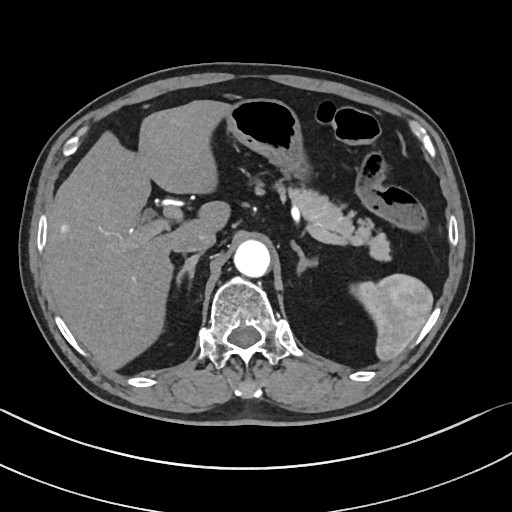
CT, abdomen/pelvis. axial view. 512x512 px. acquired on SOMATOM Force
Boxes are (x1, y1, x2, y2) in pixels. The annotated organs in this slice are: spleen at (355, 274, 431, 359), liver at (44, 99, 229, 368), stomach at (224, 98, 299, 171), aorta at (233, 239, 269, 276), inferior vena cava at (174, 227, 216, 252), pancreas at (252, 182, 391, 257), right adrenal gland at (177, 252, 202, 284), left adrenal gland at (290, 238, 315, 273).